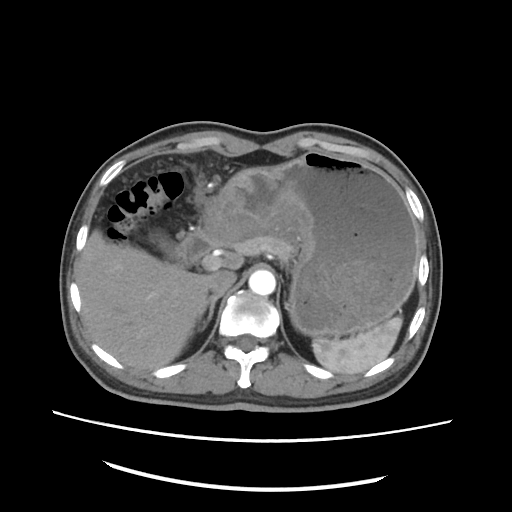
Abdominal CT · axial plane, index 78 · 512x512 px
Bounding boxes as [x1, y1, x2, y2] in pixel coordinates. 9 labeled organs on this slice — spleen at [312, 316, 401, 373]; gall bladder at [148, 228, 176, 260]; liver at [78, 228, 242, 369]; stomach at [203, 151, 417, 335]; aorta at [249, 271, 276, 294]; inferior vena cava at [209, 271, 236, 294]; pancreas at [226, 234, 296, 260]; right adrenal gland at [198, 295, 222, 328]; duodenum at [175, 232, 217, 266].